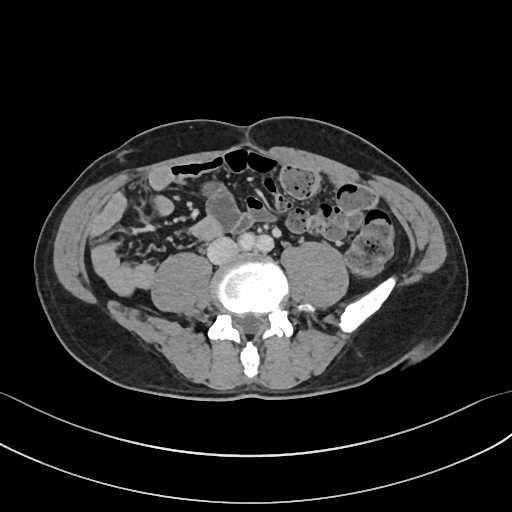
CT, abdomen/pelvis. axial view. soft-tissue window (W 400 / L 40)
{"organs":{"inferior vena cava":[207,237,238,264]}}